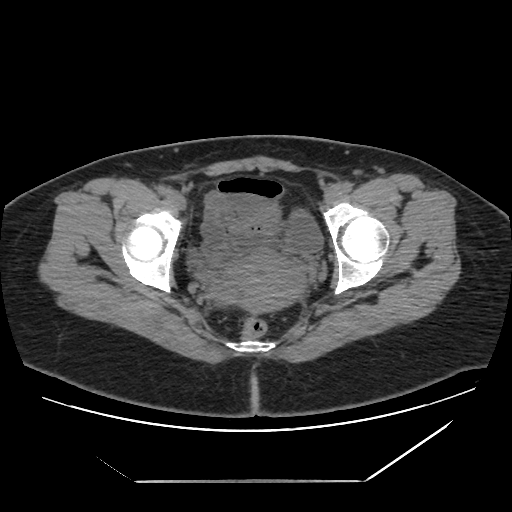

CT, abdomen/pelvis — axial view — scan has 15 labeled organs (that count is for the whole scan; organs this slice misses have no box)
Each box given as x1,y1,x2,y2.
bladder: x1=286, y1=212, x2=321, y2=252
prostate/uterus: x1=213, y1=252, x2=301, y2=315